CT abdomen. axial plane, index 84
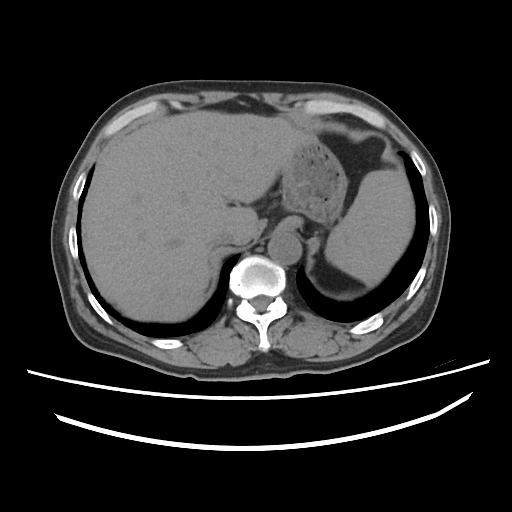
Organ boxes in pixel coordinates; each row gives the top-left (x1, y1) and bottom-right (x2, y2) corners.
| organ | x1 | y1 | x2 | y2 |
|---|---|---|---|---|
| spleen | 325 | 169 | 414 | 286 |
| liver | 81 | 111 | 308 | 321 |
| stomach | 281 | 136 | 347 | 223 |
| aorta | 268 | 232 | 301 | 264 |
| inferior vena cava | 209 | 229 | 234 | 247 |